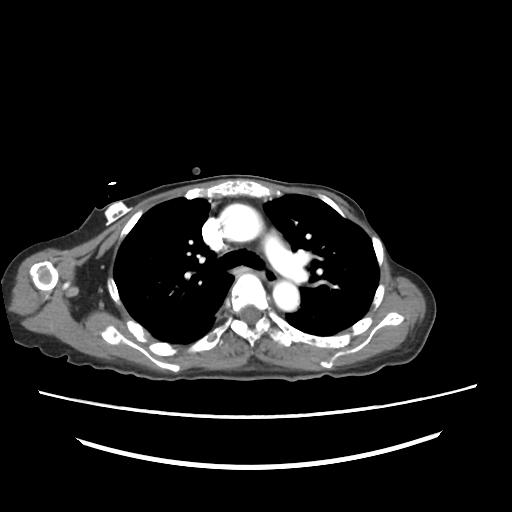

CT of the abdomen reaching into the lower chest, slice just above the liver and spleen; Axial slice 96/111
The heart and lungs are never labeled in this dataset, so they have no box on this slice.
<organs><organ name="esophagus" x1="264" y1="270" x2="276" y2="284"/><organ name="aorta" x1="220" y1="203" x2="262" y2="242"/><organ name="aorta" x1="273" y1="281" x2="299" y2="311"/></organs>